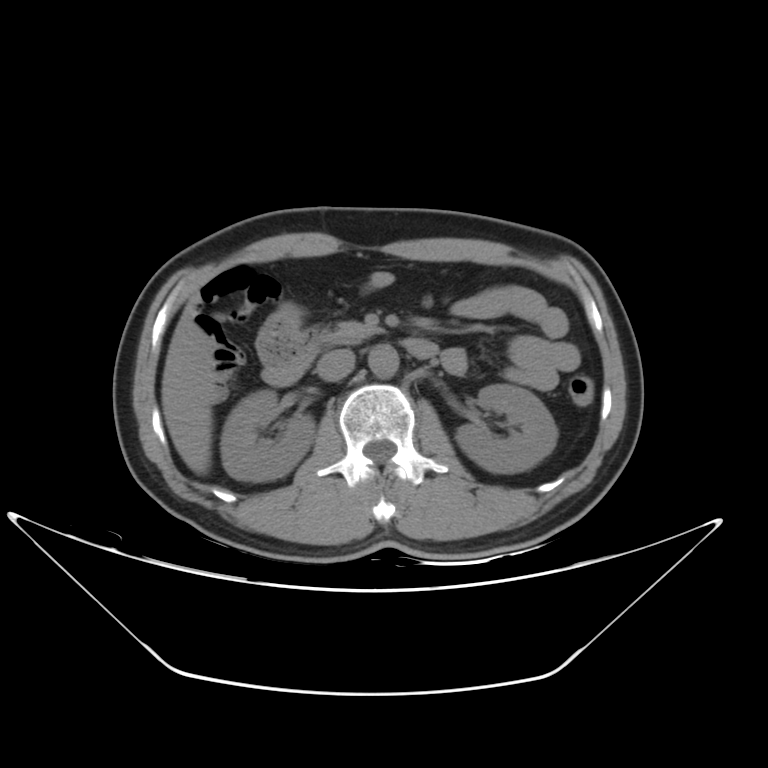

Abdominal CT — axial view — 53-year-old male patient — scan has 15 labeled organs (counted over the whole 3D scan, not this slice; an organ is boxed only where this slice passes through it)
{"organs":{"right kidney":[221,390,317,482],"left kidney":[457,384,557,472],"liver":[161,315,216,475],"aorta":[367,344,397,377],"inferior vena cava":[316,350,356,382],"pancreas":[316,321,385,344],"duodenum":[262,338,439,384]}}